Chest-level slice from an abdominal CT that extends up into the chest — axial view — Brilliance16 scanner
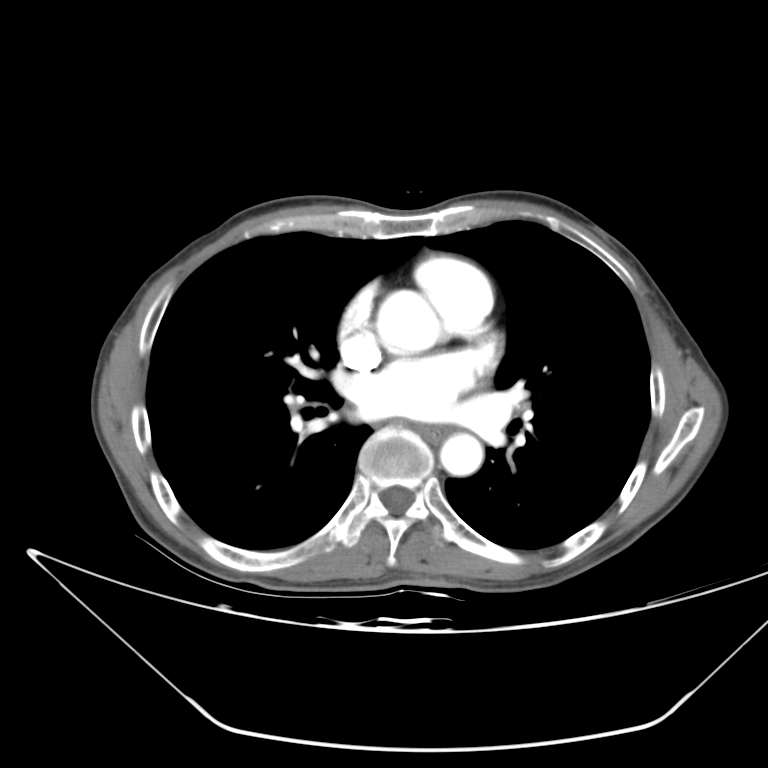 On a slice this high in the chest, this dataset labels only the esophagus and the aorta, and each is boxed only where it is labeled; the heart, lungs and other chest structures are not labeled.
One row per box, in pixels: columns x1 and y1 give the top-left corner, x2 and y2 the bottom-right.
| organ | x1 | y1 | x2 | y2 |
|---|---|---|---|---|
| esophagus | 417 | 424 | 448 | 440 |
| aorta | 377 | 290 | 440 | 352 |
| aorta | 440 | 433 | 483 | 475 |